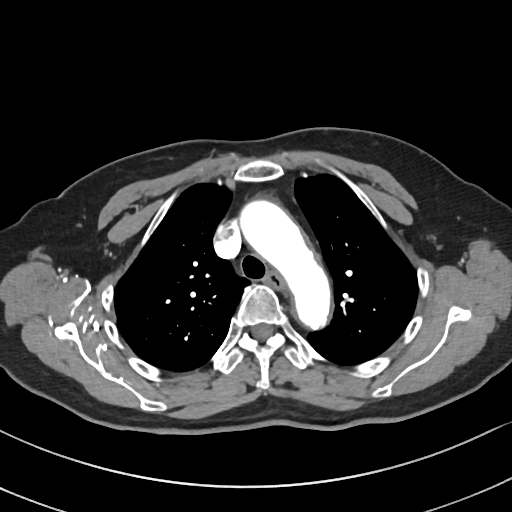 Abdominal CT reaching into the chest; this slice is in the chest — axial view — SOMATOM Force scanner — 15 organs annotated in this scan (a whole-scan count: organs this slice does not pass through have no box)
At this level of the chest this dataset labels only the esophagus and the aorta, and each is boxed only where it is labeled; the heart and lungs are never labeled.
{"organs":{"aorta":[240,200,330,330],"esophagus":[267,272,285,290]}}